Computed tomography, abdomen; axial plane, index 83; soft-tissue window (W 400 / L 40); 768x768 px; 39-year-old female patient; 15 organs annotated in this scan (a whole-scan count: organs this slice does not pass through have no box)
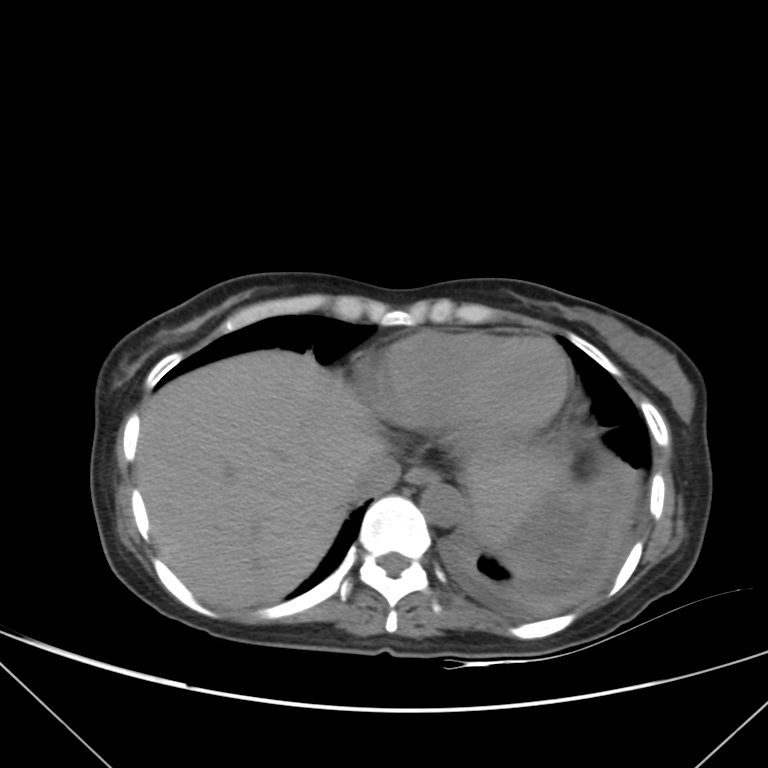
<organs><organ name="inferior vena cava" x1="352" y1="450" x2="400" y2="498"/><organ name="aorta" x1="421" y1="482" x2="464" y2="525"/><organ name="esophagus" x1="404" y1="467" x2="437" y2="484"/><organ name="liver" x1="135" y1="350" x2="565" y2="608"/></organs>